Abdominal CT; this slice is in the lower chest, just above the liver; axial view; 15 organs annotated in this scan (a whole-scan count: organs this slice does not pass through have no box)
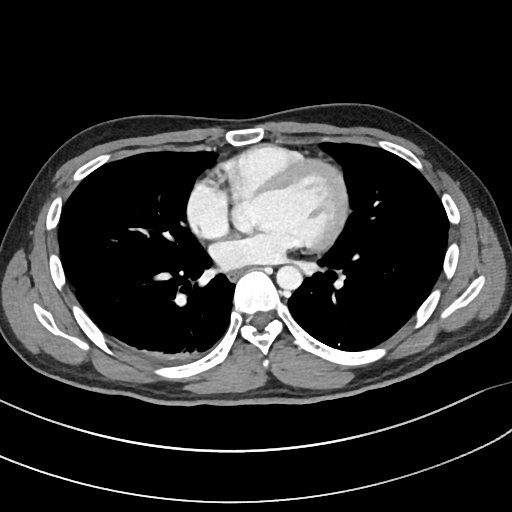

The heart and lungs are never labeled in this dataset, so they have no box on this slice.
{"organs":{"esophagus":[228,271,241,281],"aorta":[276,265,302,290]}}